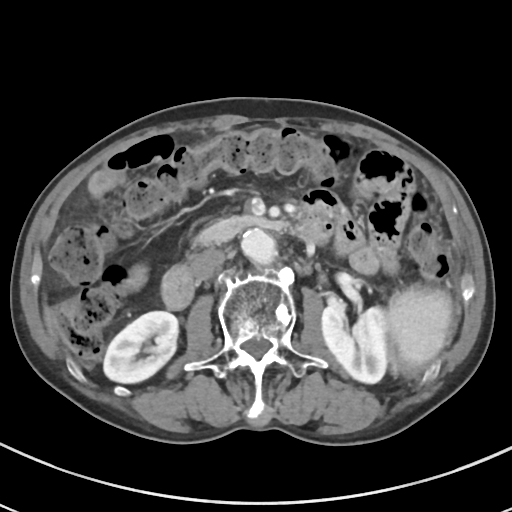 Computed tomography, abdomen — axial plane, index 53 — 512x512 px — scan has 15 labeled organs (a whole-scan count: organs this slice does not pass through have no box)
Bounding boxes in pixels, one row per box: x1, y1 is the top-left corner and x2, y2 the bottom-right.
| organ | x1 | y1 | x2 | y2 |
|---|---|---|---|---|
| pancreas | 195 | 215 | 286 | 245 |
| left kidney | 321 | 301 | 387 | 383 |
| duodenum | 161 | 216 | 332 | 309 |
| spleen | 386 | 285 | 452 | 373 |
| aorta | 241 | 229 | 276 | 264 |
| right kidney | 103 | 311 | 177 | 383 |
| inferior vena cava | 191 | 249 | 225 | 281 |
| liver | 44 | 307 | 52 | 331 |